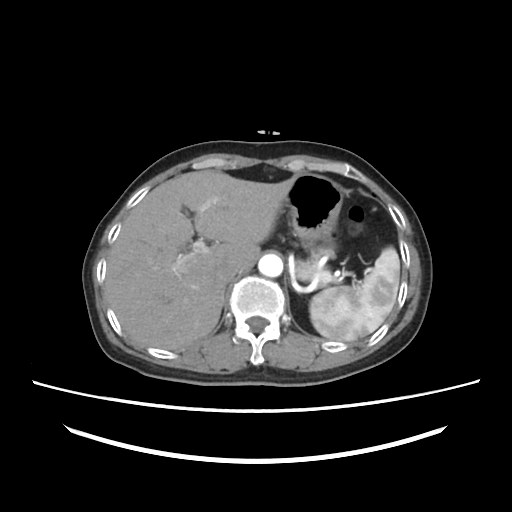

CT, abdomen/pelvis · axial plane, index 75
Boxes are (x1, y1, x2, y2) in pixels. Labeled organs on this slice: pancreas at (296, 257, 330, 284), spleen at (309, 247, 399, 341), liver at (105, 170, 293, 349), inferior vena cava at (213, 263, 237, 285), stomach at (284, 174, 342, 257), aorta at (258, 254, 282, 277).